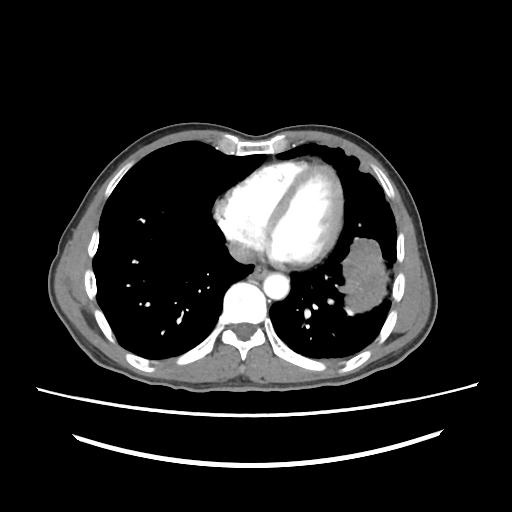 Lower-chest slice from an abdominal CT, just above the liver and spleen — axial view — soft-tissue window, W/L 400/40 — 512x512 px — 51-year-old male patient
The heart and lungs are never labeled in this dataset, so they have no box on this slice.
Coordinates as <box>x1,y1,x2,y2</box> in pixels.
esophagus: <box>253,264,267,277</box>
aorta: <box>262,273,290,299</box>
inferior vena cava: <box>228,242,259,264</box>